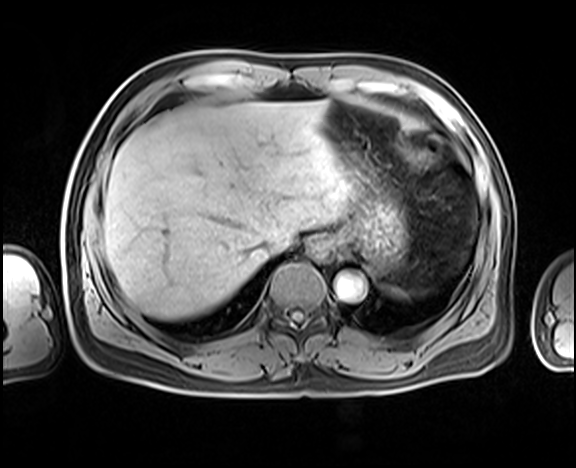 Abdominal MRI; axial view; 1st–99th percentile window; 576x468 px
Boxes are (x1, y1, x2, y2) in pixels.
Organ bounding boxes:
- aorta: (335, 273, 366, 301)
- spleen: (383, 284, 407, 298)
- liver: (103, 101, 350, 319)
- inferior vena cava: (259, 235, 292, 254)
- esophagus: (304, 234, 336, 264)
- stomach: (323, 107, 408, 270)